CT, abdomen/pelvis; Axial slice 21/94; W/L 400/40 HU; 14 organs annotated in this scan (a whole-scan count: organs this slice does not pass through have no box)
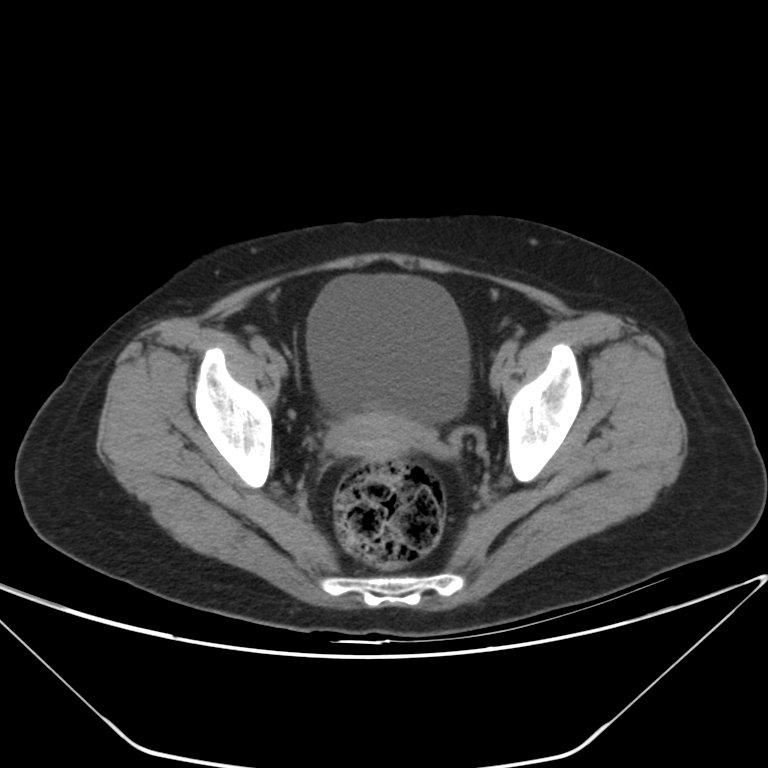
<organs><organ name="bladder" x1="306" y1="275" x2="470" y2="422"/><organ name="prostate/uterus" x1="328" y1="412" x2="424" y2="460"/></organs>